Computed tomography, abdomen · axial view
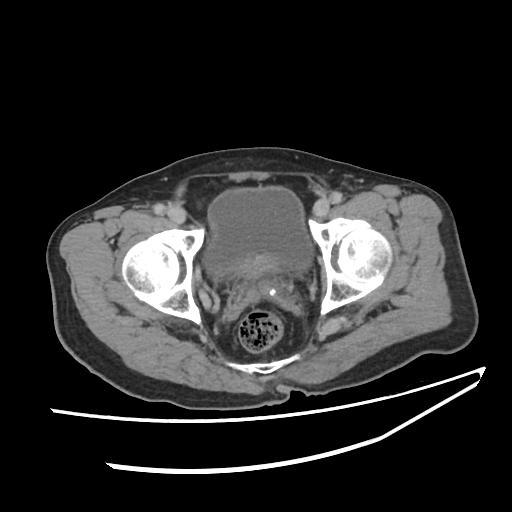

Box edges are left/top/right/bottom in pixels. Labeled organs on this slice: bladder at left=202, top=188, right=313, bottom=277, prostate/uterus at left=240, top=255, right=278, bottom=279.